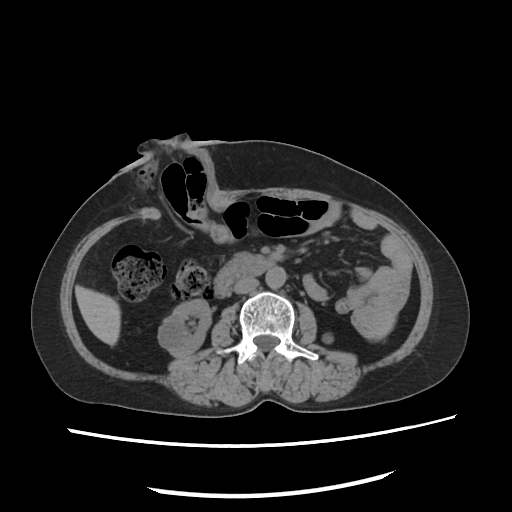

Abdominal CT — axial plane, index 53 — abdomen soft-tissue window
Bounding boxes in pixels, one row per box: x1, y1 is the top-left corner and x2, y2 the bottom-right.
| organ | x1 | y1 | x2 | y2 |
|---|---|---|---|---|
| pancreas | 221 | 254 | 253 | 272 |
| left kidney | 319 | 330 | 334 | 345 |
| aorta | 266 | 267 | 286 | 289 |
| right kidney | 158 | 298 | 210 | 357 |
| spleen | 370 | 313 | 396 | 341 |
| liver | 74 | 284 | 119 | 346 |
| duodenum | 212 | 254 | 273 | 298 |
| inferior vena cava | 233 | 277 | 260 | 294 |